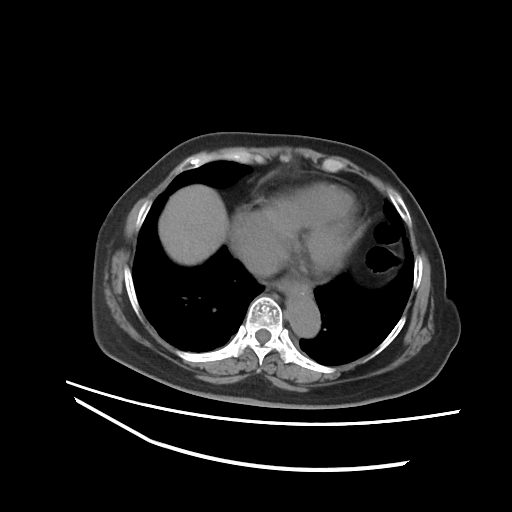
Computed tomography, abdomen · axial view · soft-tissue window · 512x512 px · 57-year-old female patient
One row per box, in pixels: columns x1 and y1 give the top-left corner, x2 and y2 the bottom-right.
| organ | x1 | y1 | x2 | y2 |
|---|---|---|---|---|
| esophagus | 278 | 273 | 310 | 294 |
| aorta | 286 | 294 | 319 | 336 |
| liver | 159 | 184 | 228 | 264 |
| inferior vena cava | 240 | 243 | 283 | 275 |